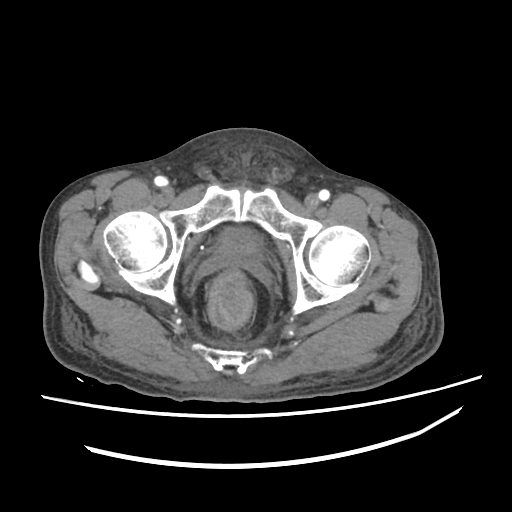 CT, abdomen/pelvis. axial view
<organs><organ name="bladder" x1="220" y1="229" x2="262" y2="250"/><organ name="prostate/uterus" x1="217" y1="244" x2="252" y2="257"/></organs>